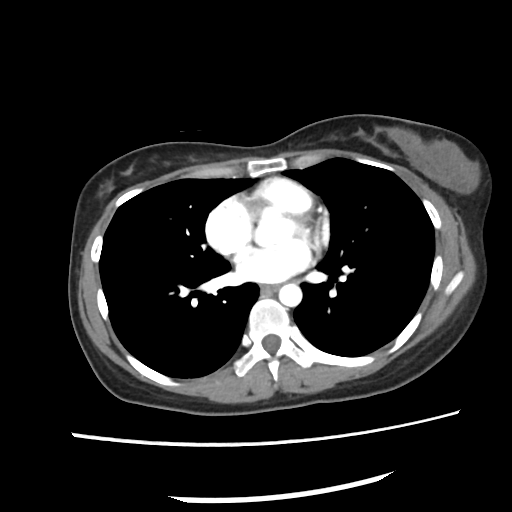

CT of the abdomen extending into the chest, slice through the chest; axial view; 512x512 px; 34-year-old female patient
At this level of the chest no structure but the esophagus and the aorta has a label in this dataset, and those two are boxed only where they are labeled. Boxes: x1:y1:x2:y2 in pixels. 2 labeled organs on this slice — esophagus at 266:282:280:293; aorta at 279:282:302:306.